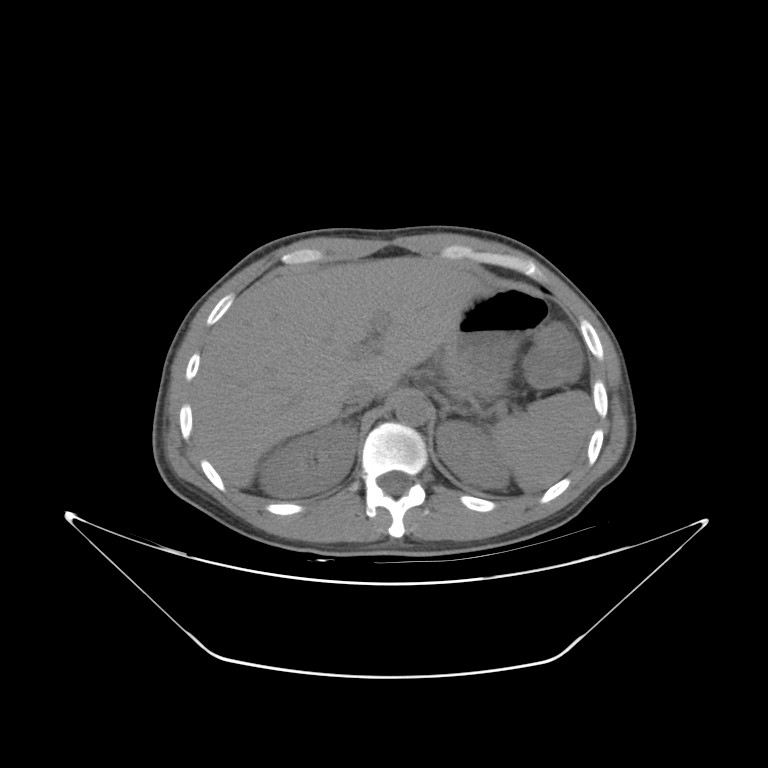 Abdominal CT — Axial slice 73/91 — 768x768 px
<organs><organ name="left kidney" x1="436" y1="421" x2="510" y2="488"/><organ name="right kidney" x1="259" y1="422" x2="357" y2="497"/><organ name="left adrenal gland" x1="434" y1="393" x2="466" y2="420"/><organ name="inferior vena cava" x1="342" y1="379" x2="377" y2="406"/><organ name="aorta" x1="395" y1="394" x2="431" y2="425"/><organ name="spleen" x1="491" y1="390" x2="593" y2="491"/><organ name="stomach" x1="442" y1="289" x2="545" y2="395"/><organ name="right adrenal gland" x1="341" y1="407" x2="359" y2="418"/><organ name="liver" x1="195" y1="256" x2="488" y2="488"/></organs>